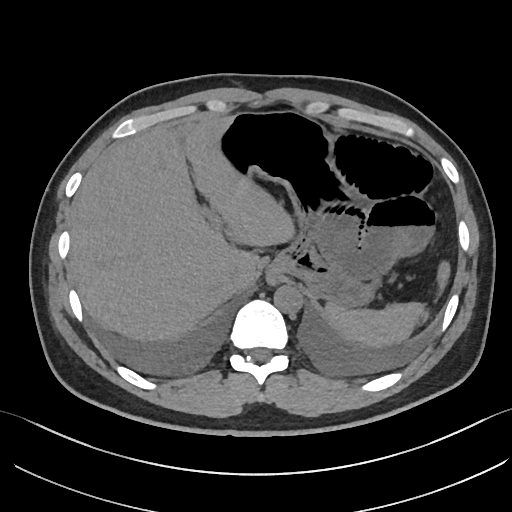 CT abdomen; axial view; W/L 400/40 HU; scan has 15 labeled organs (a whole-scan count: organs this slice does not pass through have no box)
Coordinates as <box>x1,y1,x2,y2</box> in pixels. The annotated organs in this slice are: stomach at <box>212,111,392,304</box>, inferior vena cava at <box>223,268,242,292</box>, spleen at <box>322,261,451,349</box>, liver at <box>69,116,295,343</box>, aorta at <box>273,285,302,313</box>.